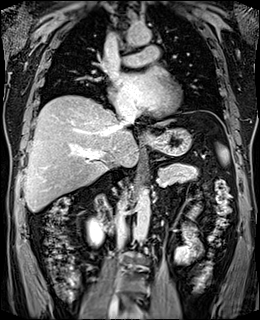
MRI, abdomen. coronal plane, index 67. 260x320 px
Boxes: x1:y1:x2:y2 in pixels.
Organ bounding boxes:
- spleen: 218:145:228:163
- right kidney: 87:218:104:245
- esophagus: 143:132:149:138
- liver: 24:95:169:211
- stomach: 143:128:192:155
- aorta: 135:188:150:242
- aorta: 126:24:151:46
- inferior vena cava: 116:190:128:251
- inferior vena cava: 116:103:136:127
- inferior vena cava: 115:268:122:282
- pancreas: 159:163:198:184
- duodenum: 95:195:113:232